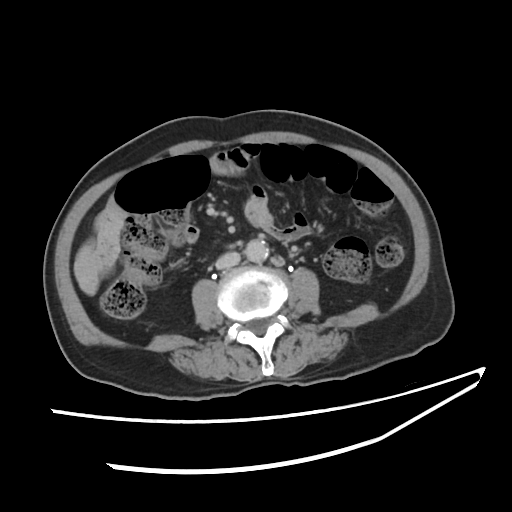

Computed tomography, abdomen · axial view · soft-tissue window · 512x512 px · 83-year-old male patient · Aquilion ONE scanner
Bounding boxes as [x1, y1, x2, y2] in pixel coordinates. The annotated organs in this slice are: aorta at [245, 240, 269, 260], inferior vena cava at [216, 253, 239, 268].